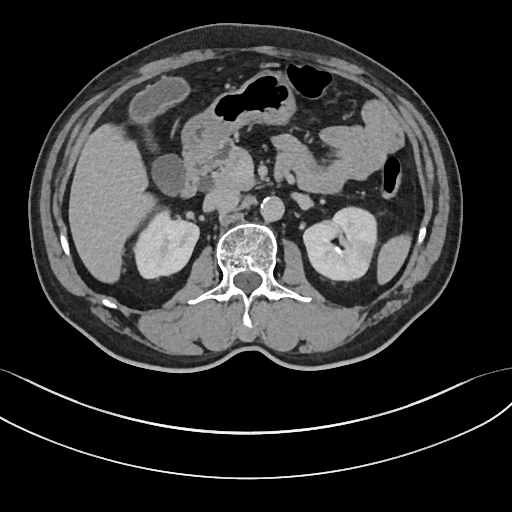
CT, abdomen/pelvis; axial view; soft-tissue window
{"organs":{"spleen":[377,234,411,284],"right kidney":[134,209,199,278],"left kidney":[303,207,376,280],"gall bladder":[130,78,188,197],"liver":[68,124,156,283],"stomach":[181,71,295,154],"aorta":[260,196,284,221],"inferior vena cava":[204,188,239,213],"pancreas":[212,144,255,189],"duodenum":[181,141,231,197]}}